Chest-level slice from an abdominal CT that extends up into the chest — Axial slice 252/291 — W/L 400/40 HU — 512x512 px
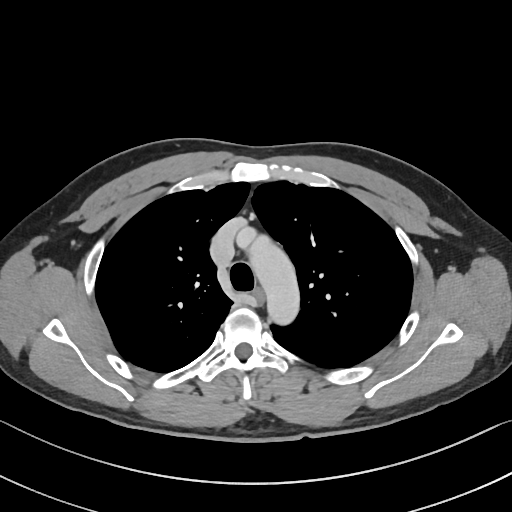

On a slice this high in the chest, this dataset labels only the esophagus and the aorta, and each is boxed only where it is labeled; the heart, lungs and other chest structures are not labeled.
Bounding boxes as [x1, y1, x2, y2] in pixel coordinates.
esophagus: [254, 289, 263, 301]
aorta: [249, 236, 299, 325]